CT, abdomen/pelvis — Axial slice 205/237 — soft-tissue window — 512x512 px
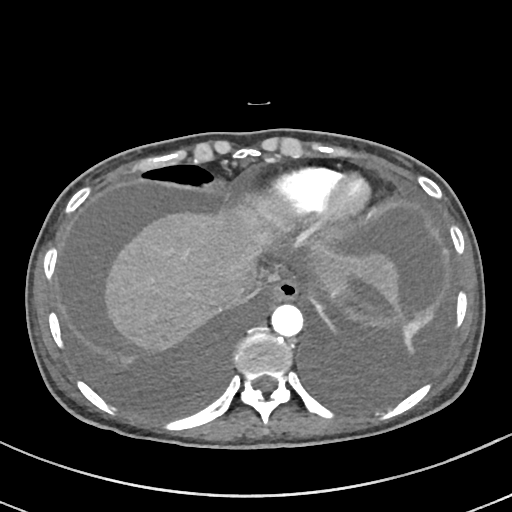 Coordinates as <box>x1,y1,x2,y2</box> in pixels.
Organ bounding boxes:
- inferior vena cava: <box>226,278,256,306</box>
- aorta: <box>270,303,302,335</box>
- esophagus: <box>269,278,298,300</box>
- liver: <box>104,209,399,353</box>
- stomach: <box>331,277,345,298</box>